Computed tomography, abdomen · axial view · abdomen soft-tissue window · 512x512 px
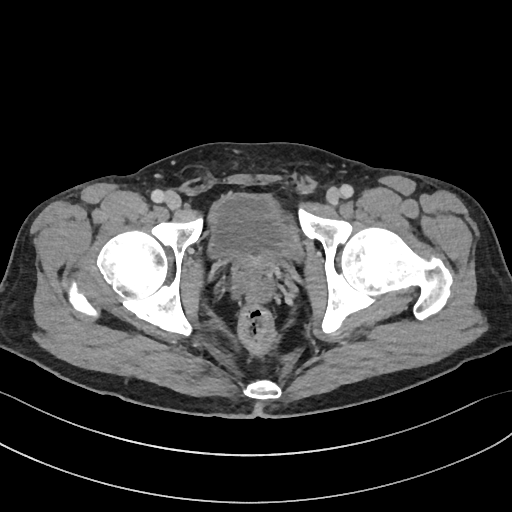

Each box given as x1,y1,x2,y2.
bladder: x1=208, y1=193, x2=302, y2=260
prostate/uterus: x1=232, y1=251, x2=274, y2=286